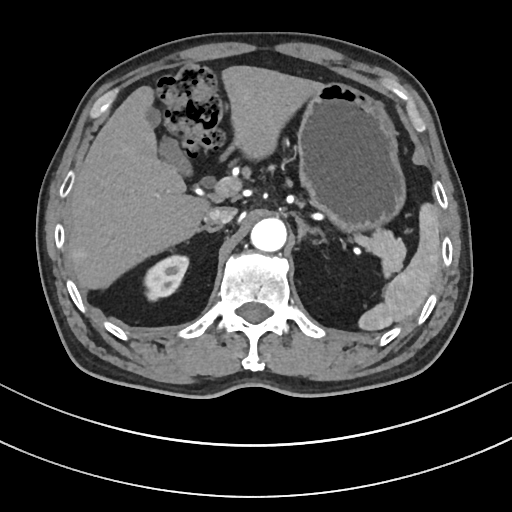
CT abdomen. Axial slice 153/280. abdomen soft-tissue window. scan has 15 labeled organs (that count is for the whole scan; organs this slice misses have no box)
Bounding boxes in pixels, one row per box: x1, y1 is the top-left corner and x2, y2 the bottom-right.
| organ | x1 | y1 | x2 | y2 |
|---|---|---|---|---|
| spleen | 358 | 201 | 441 | 331 |
| right kidney | 146 | 256 | 187 | 300 |
| gall bladder | 150 | 110 | 188 | 170 |
| liver | 68 | 66 | 322 | 289 |
| stomach | 297 | 85 | 406 | 230 |
| aorta | 250 | 219 | 286 | 252 |
| inferior vena cava | 203 | 206 | 235 | 226 |
| pancreas | 369 | 228 | 405 | 277 |
| right adrenal gland | 198 | 226 | 221 | 234 |
| left adrenal gland | 296 | 217 | 327 | 254 |
| duodenum | 220 | 142 | 237 | 162 |